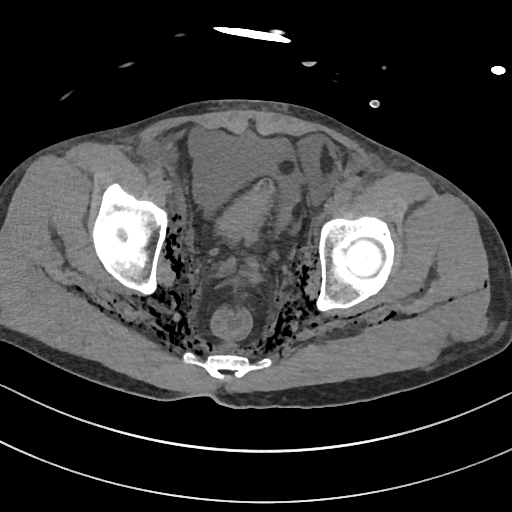

Abdominal CT; axial view; soft-tissue window
Boxes are (x1, y1, x2, y2) in pixels. The annotated organs in this slice are: bladder at (218, 178, 273, 242).